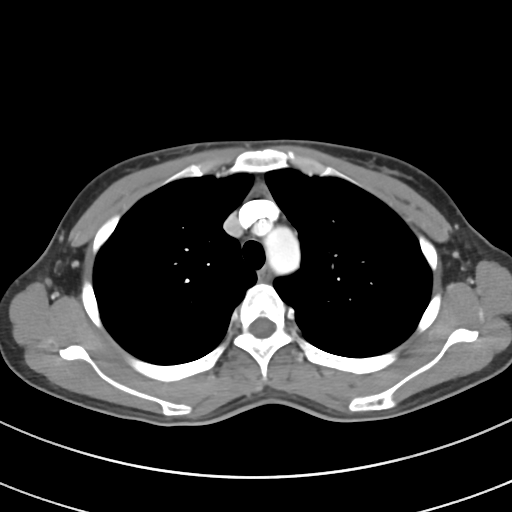

CT of the abdomen extending into the chest, slice through the chest · axial view · 512x512 px · SOMATOM Force scanner
On a slice this high in the chest, this dataset labels only the esophagus and the aorta, and each is boxed only where it is labeled; the heart, lungs and other chest structures are not labeled.
Each box given as x1,y1,x2,y2.
Organ bounding boxes:
- esophagus: x1=258, y1=266, x2=271, y2=279
- aorta: x1=264, y1=226, x2=300, y2=274